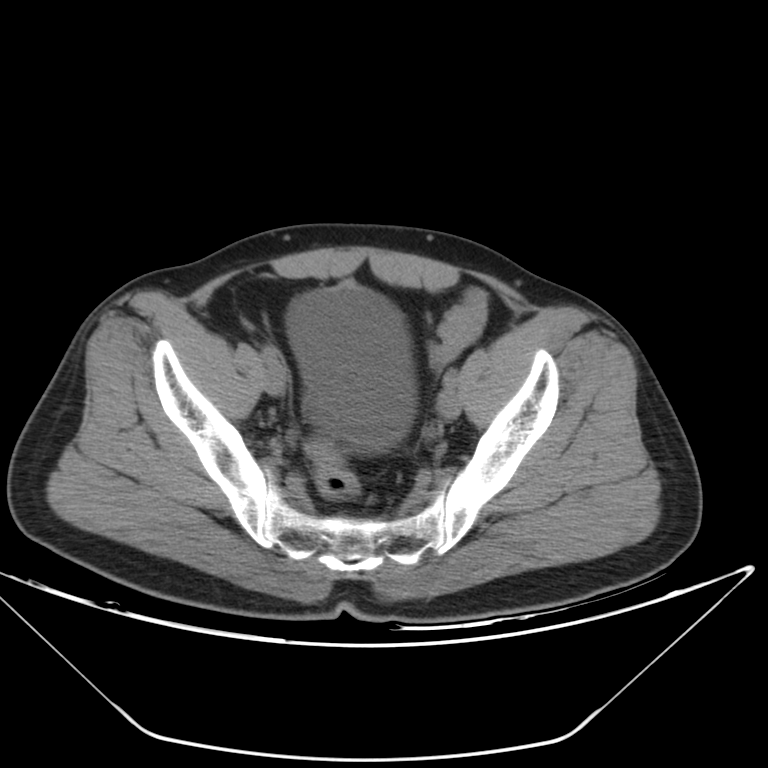 Computed tomography, abdomen — axial view — soft-tissue window — 768x768 px — scan has 15 labeled organs (counted over the whole 3D scan, not this slice; an organ is boxed only where this slice passes through it)
Organ boxes in pixel coordinates; each row gives the top-left (x1, y1) and bottom-right (x2, y2) corners.
| organ | x1 | y1 | x2 | y2 |
|---|---|---|---|---|
| bladder | 286 | 284 | 415 | 451 |